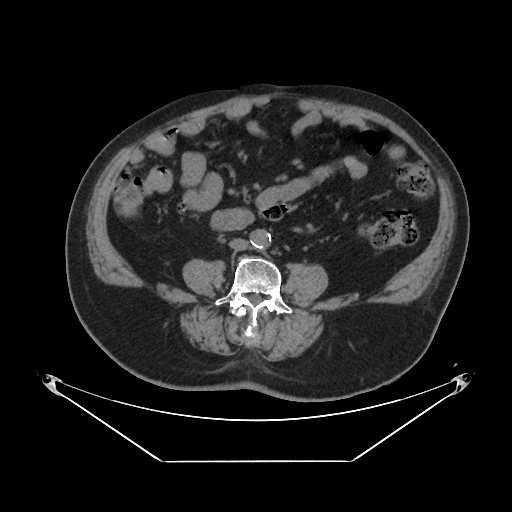 Abdominal CT. Axial slice 159/353. 512x512 px
<organs><organ name="aorta" x1="250" y1="229" x2="271" y2="248"/><organ name="inferior vena cava" x1="229" y1="238" x2="248" y2="250"/></organs>